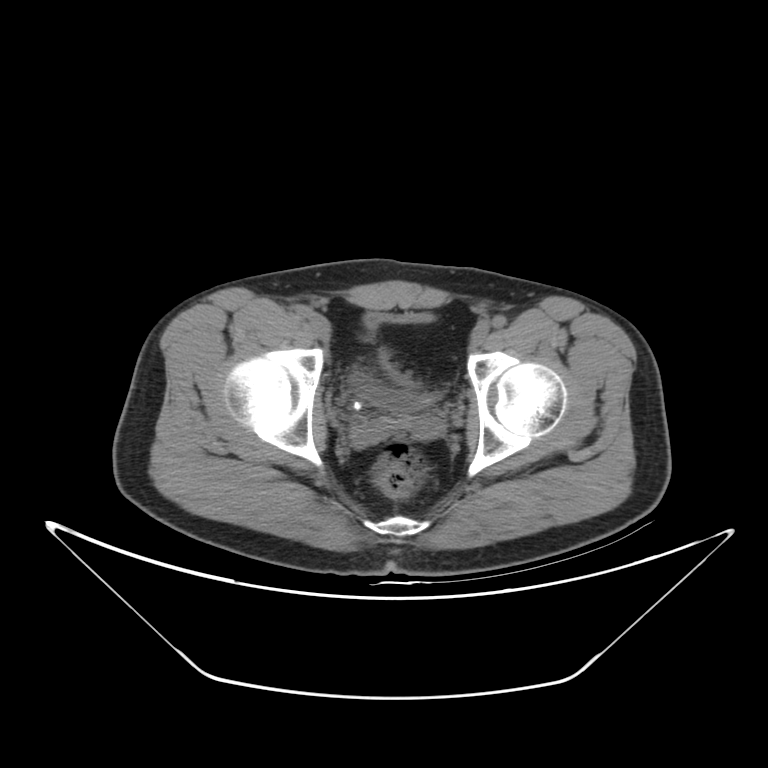
Abdominal CT · axial view · 768x768 px
Box edges are left/top/right/bottom in pixels.
Organ bounding boxes:
- bladder: left=352, top=313, right=434, bottom=411